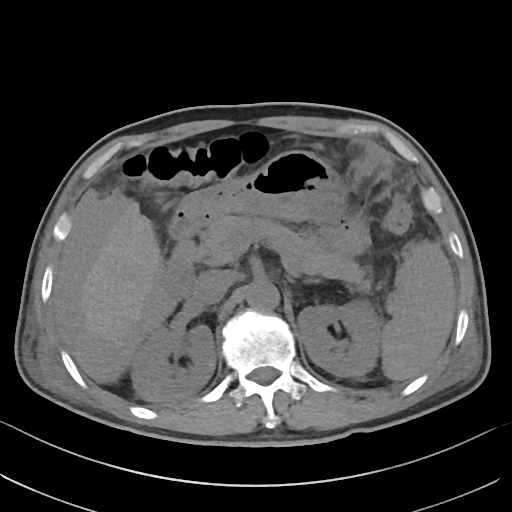 Abdominal CT · axial view · scan has 15 labeled organs (counted over the whole 3D scan, not this slice; an organ is boxed only where this slice passes through it)
{"organs":{"spleen":[381,240,455,381],"right kidney":[131,325,215,402],"left kidney":[297,300,381,377],"gall bladder":[154,192,167,205],"liver":[80,202,162,382],"stomach":[178,150,347,226],"aorta":[246,281,279,310],"inferior vena cava":[192,270,233,305],"pancreas":[197,215,371,293],"left adrenal gland":[304,278,319,284],"duodenum":[161,211,200,298]}}